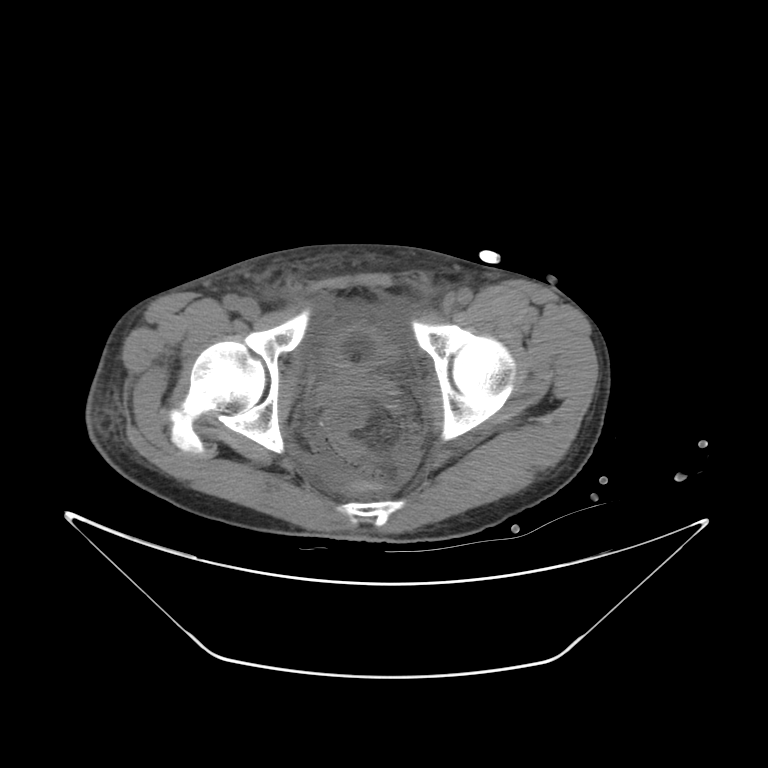 Abdominal CT · Axial slice 16/91 · soft-tissue window (W 400 / L 40) · Brilliance16 scanner
<organs><organ name="bladder" x1="321" y1="325" x2="401" y2="370"/></organs>